Abdominal CT; axial view; W/L 400/40 HU; 512x512 px; 61-year-old female patient
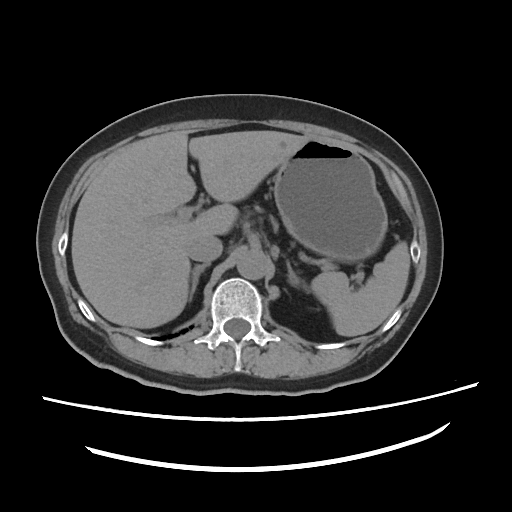 One row per box, in pixels: columns x1 and y1 give the top-left corner, x2 and y2 the bottom-right.
| organ | x1 | y1 | x2 | y2 |
|---|---|---|---|---|
| spleen | 312 | 241 | 409 | 336 |
| liver | 71 | 131 | 310 | 328 |
| stomach | 274 | 139 | 387 | 262 |
| aorta | 237 | 250 | 269 | 279 |
| inferior vena cava | 186 | 235 | 222 | 262 |
| right adrenal gland | 189 | 263 | 210 | 301 |
| left adrenal gland | 287 | 261 | 308 | 292 |